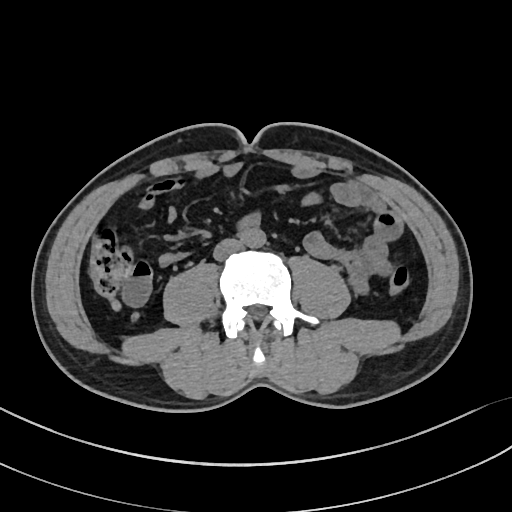
Computed tomography, abdomen; axial view; soft-tissue window; 512x512 px; 15 organs annotated in this scan (a whole-scan count: organs this slice does not pass through have no box)
{"organs":{"aorta":[240,228,265,247],"inferior vena cava":[213,239,242,260]}}